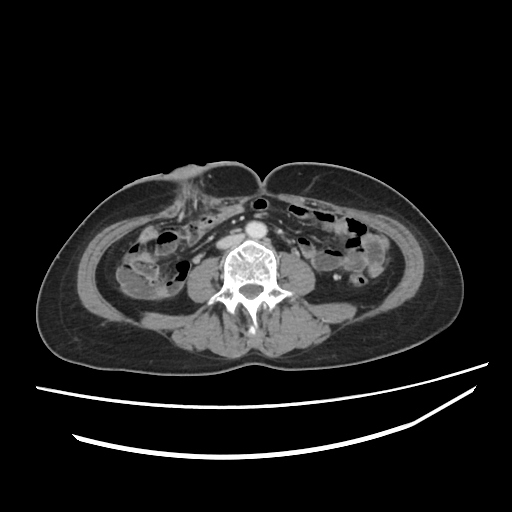

CT, abdomen/pelvis. axial view. 512x512 px. 54-year-old female patient
Bounding boxes as [x1, y1, x2, y2] in pixel coordinates.
aorta: [245, 221, 266, 238]
inferior vena cava: [216, 233, 244, 248]